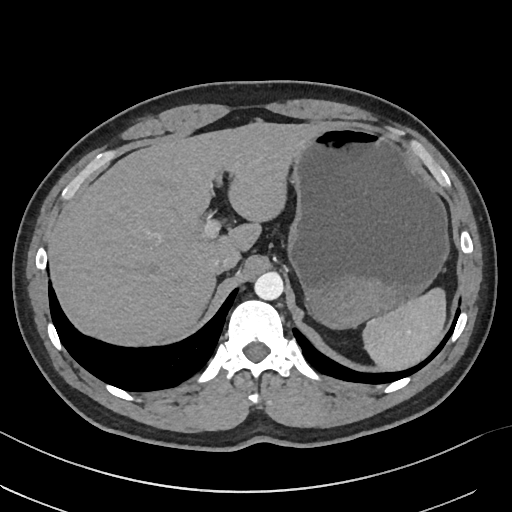
CT, abdomen/pelvis. Axial slice 177/307. 15 organs annotated in this scan (that count is for the whole scan; organs this slice misses have no box)
Boxes are (x1, y1, x2, y2) in pixels.
inferior vena cava: (209, 254, 238, 273)
stomach: (289, 128, 448, 328)
spleen: (363, 288, 445, 371)
liver: (55, 121, 321, 347)
aorta: (254, 270, 283, 299)